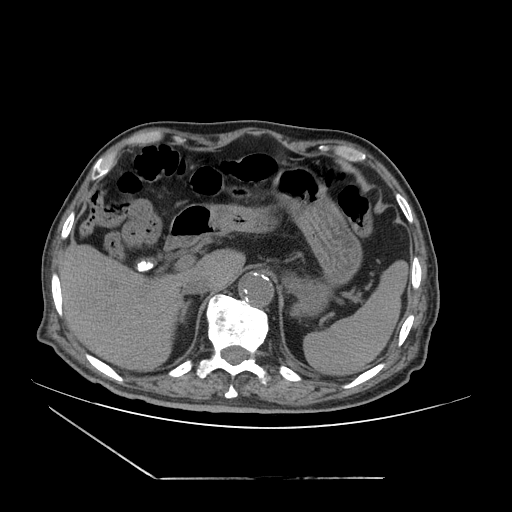 CT, abdomen/pelvis. axial view
Bounding boxes as [x1, y1, x2, y2] in pixel coordinates.
spleen: [302, 260, 407, 374]
gall bladder: [133, 258, 154, 270]
liver: [59, 244, 244, 370]
stomach: [205, 165, 361, 315]
aorta: [239, 274, 274, 308]
inferior vena cava: [183, 278, 213, 294]
right adrenal gland: [179, 302, 187, 323]
duodenum: [166, 203, 215, 248]